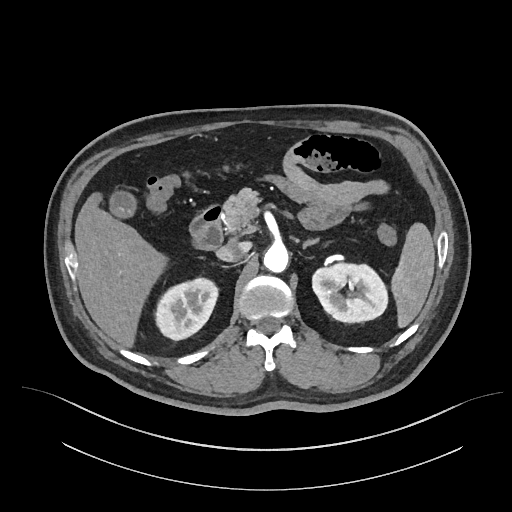

CT, abdomen/pelvis; Axial slice 177/333; soft-tissue window; 512x512 px
Bounding boxes as [x1, y1, x2, y2] in pixel coordinates.
Organ bounding boxes:
- liver: [74, 192, 168, 347]
- spleen: [391, 222, 434, 327]
- right kidney: [155, 278, 217, 340]
- left kidney: [312, 263, 387, 322]
- aorta: [263, 244, 288, 272]
- pancreas: [223, 188, 259, 234]
- gall bladder: [109, 190, 136, 218]
- inferior vena cava: [216, 242, 249, 261]
- duodenum: [189, 205, 223, 249]
- left adrenal gland: [303, 239, 318, 248]